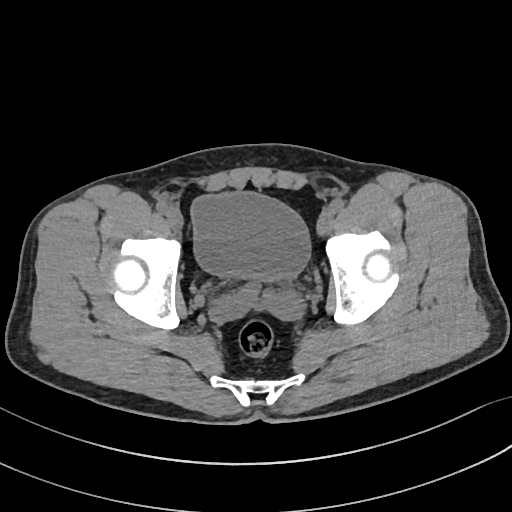 Abdominal CT · axial view · 512x512 px
<organs><organ name="bladder" x1="191" y1="192" x2="310" y2="281"/></organs>